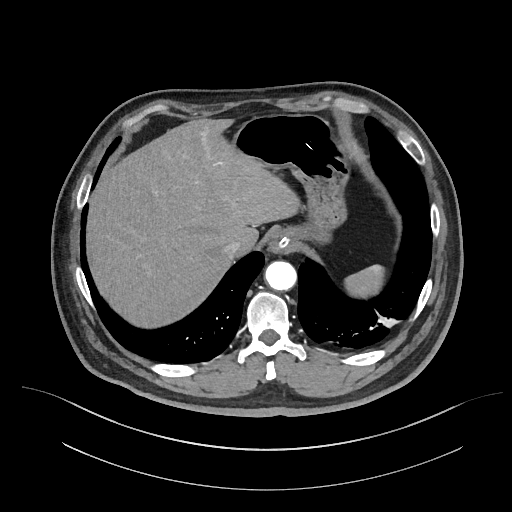

CT, abdomen/pelvis · axial view
Box edges are left/top/right/bottom in pixels.
spleen: left=343, top=264, right=383, bottom=297
esophagus: left=272, top=242, right=287, bottom=250
liver: left=85, top=118, right=298, bottom=327
stomach: left=229, top=114, right=352, bottom=246
aorta: left=264, top=261, right=295, bottom=289
inferior vena cava: left=222, top=238, right=241, bottom=257